CT, abdomen/pelvis. axial view. 512x512 px
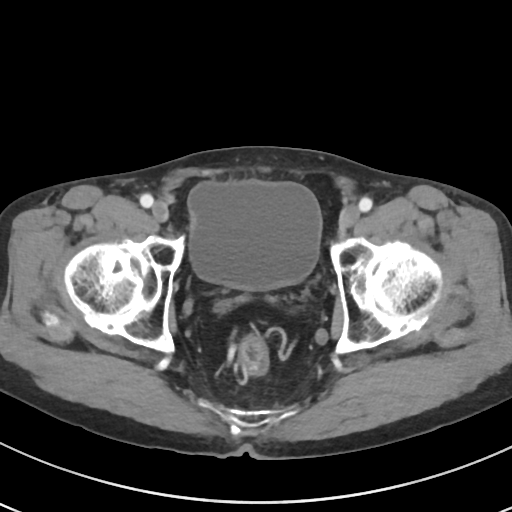

Boxes: x1 y1 x2 y2 (pixel coords, space-separated). Labeled organs on this slice: bladder at 188 180 321 290.